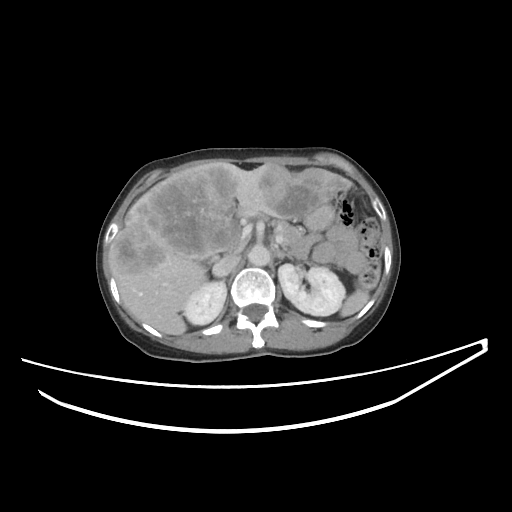 CT abdomen. axial view. soft-tissue window. 512x512 px
Each box given as x1,y1,x2,y2.
spleen: x1=340, y1=290, x2=369, y2=316
right kidney: x1=183, y1=281, x2=226, y2=325
left kidney: x1=278, y1=264, x2=345, y2=315
liver: x1=109, y1=163, x2=350, y2=335
stomach: x1=303, y1=203, x2=334, y2=230
aorta: x1=248, y1=244, x2=270, y2=266
inferior vena cava: x1=212, y1=253, x2=239, y2=276
pancreas: x1=274, y1=220, x2=308, y2=259
right adrenal gland: x1=222, y1=278, x2=225, y2=280
left adrenal gland: x1=275, y1=248, x2=292, y2=260